Computed tomography, abdomen — axial view — SOMATOM Force scanner
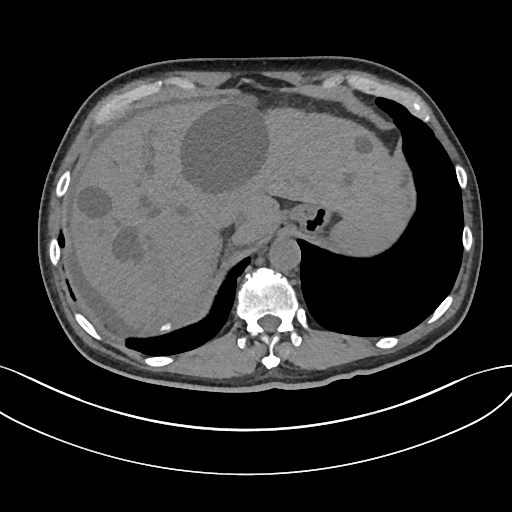 One row per box, in pixels: columns x1 and y1 give the top-left corner, x2 and y2 the bottom-right.
| organ | x1 | y1 | x2 | y2 |
|---|---|---|---|---|
| inferior vena cava | 215 | 208 | 241 | 228 |
| stomach | 282 | 204 | 330 | 233 |
| liver | 71 | 100 | 408 | 332 |
| spleen | 332 | 215 | 401 | 250 |
| aorta | 269 | 237 | 300 | 270 |
| right adrenal gland | 211 | 241 | 223 | 273 |